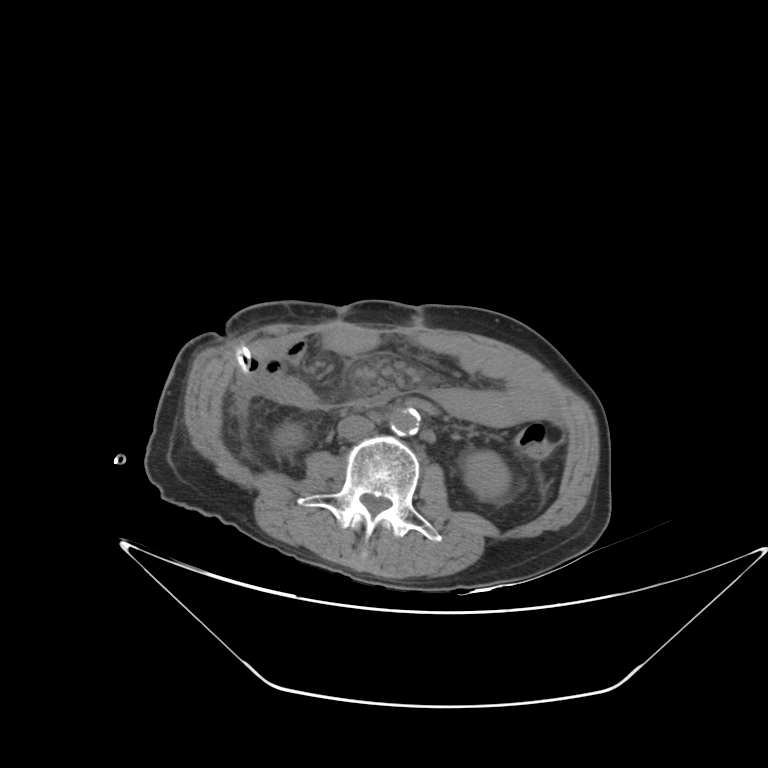
CT, abdomen/pelvis · axial view · soft-tissue window (W 400 / L 40) · 768x768 px
Boxes are (x1, y1, x2, y2) in pixels. The annotated organs in this slice are: right kidney at (273, 421, 307, 451), left kidney at (464, 451, 509, 499), aorta at (389, 407, 420, 436), inferior vena cava at (337, 415, 374, 440).